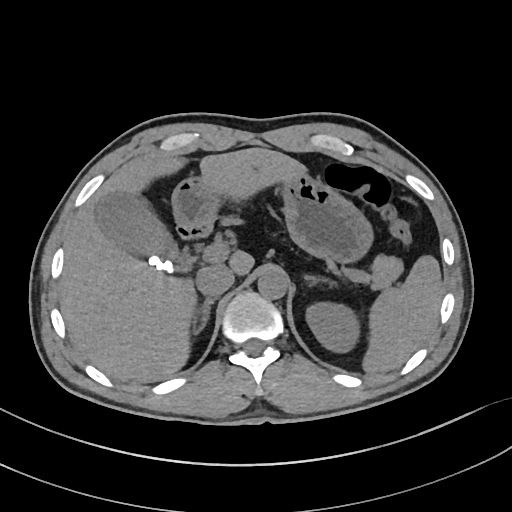 CT abdomen. Axial slice 186/228. 15 organs annotated in this scan (a whole-scan count: organs this slice does not pass through have no box)
Box edges are left/top/right/bottom in pixels.
Organ bounding boxes:
- spleen: left=361, top=254, right=442, bottom=373
- left kidney: left=306, top=302, right=358, bottom=351
- gall bladder: left=97, top=193, right=191, bottom=271
- liver: left=60, top=147, right=308, bottom=382
- stomach: left=173, top=176, right=370, bottom=262
- aorta: left=258, top=269, right=288, bottom=299
- inferior vena cava: left=196, top=265, right=234, bottom=298
- pancreas: left=372, top=255, right=401, bottom=285
- right adrenal gland: left=191, top=299, right=214, bottom=331
- left adrenal gland: left=306, top=275, right=335, bottom=283
- duodenum: left=177, top=220, right=210, bottom=238